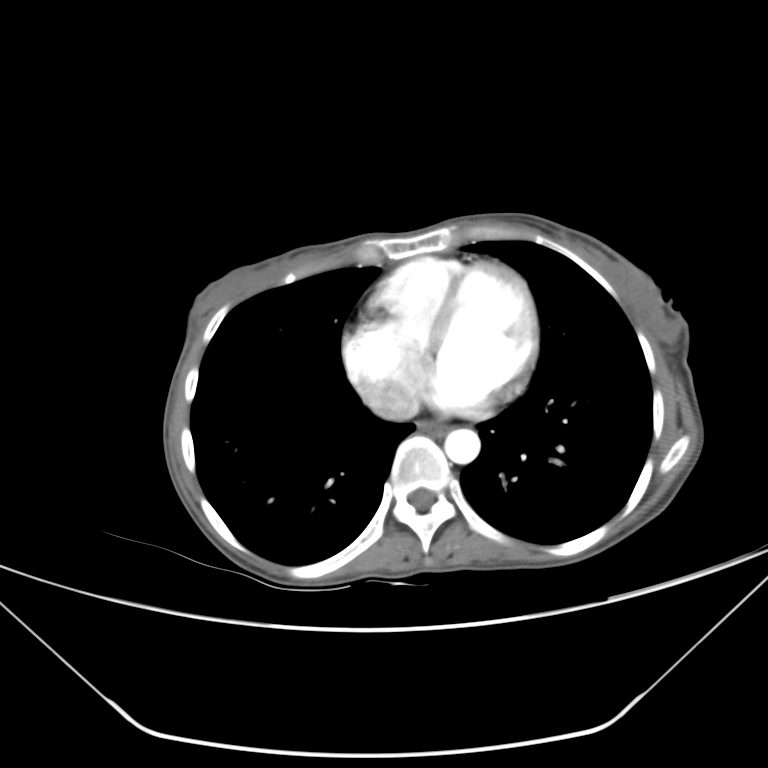 CT of the abdomen reaching into the lower chest, slice just above the liver and spleen · axial plane, index 87
The heart and lungs are never labeled in this dataset, so they have no box on this slice.
Boxes are (x1, y1, x2, y2) in pixels.
Organ bounding boxes:
- esophagus: (418, 419, 445, 435)
- aorta: (444, 428, 480, 464)
- inferior vena cava: (368, 391, 418, 420)